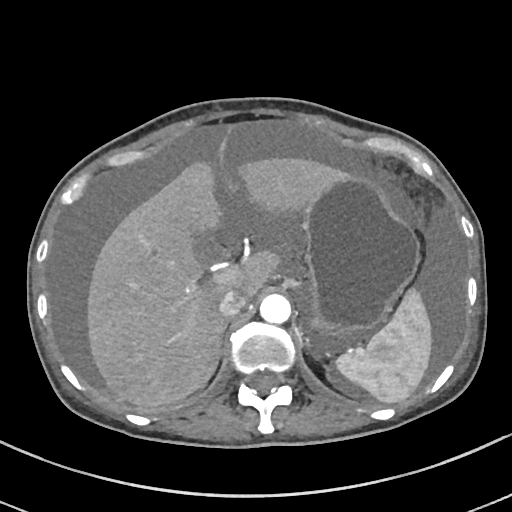 Abdominal CT · axial plane, index 176 · W/L 400/40 HU
Coordinates as <box>x1,y1,x2,y2</box> in pixels. The annotated organs in this slice are: liver at <box>87,157,344,406</box>, gall bladder at <box>190,228,222,265</box>, aorta at <box>259,293,290,323</box>, stomach at <box>302,175,418,334</box>, spleen at <box>337,288,432,403</box>, inferior vena cava at <box>217,288,246,317</box>.